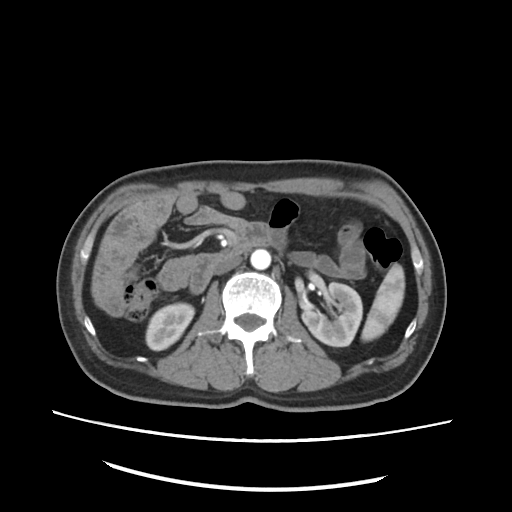 Computed tomography, abdomen — axial view — 512x512 px — 15 organs annotated in this scan (a whole-scan count: organs this slice does not pass through have no box)
Coordinates as <box>x1,y1,x2,y2</box> in pixels.
Organ bounding boxes:
- spleen: <box>361,263,403,341</box>
- right kidney: <box>146,303,193,350</box>
- left kidney: <box>303,282,362,347</box>
- aorta: <box>251,248,270,270</box>
- inferior vena cava: <box>217,255,242,274</box>
- duodenum: <box>188,223,270,292</box>